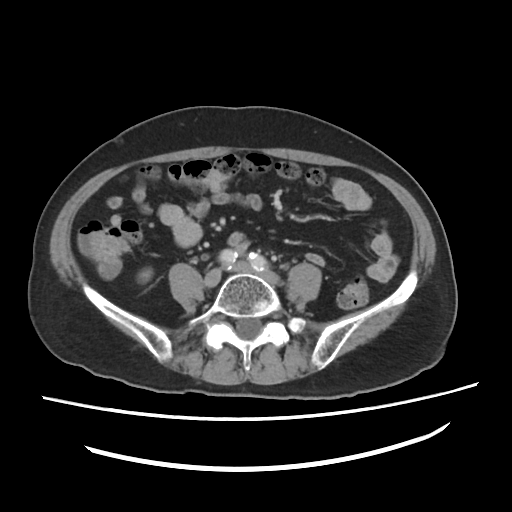 Abdominal CT · axial view · 14 organs annotated in this scan (counted over the whole 3D scan, not this slice; an organ is boxed only where this slice passes through it)
<organs><organ name="right kidney" x1="138" y1="267" x2="152" y2="281"/></organs>